Computed tomography, abdomen. axial view. 768x768 px
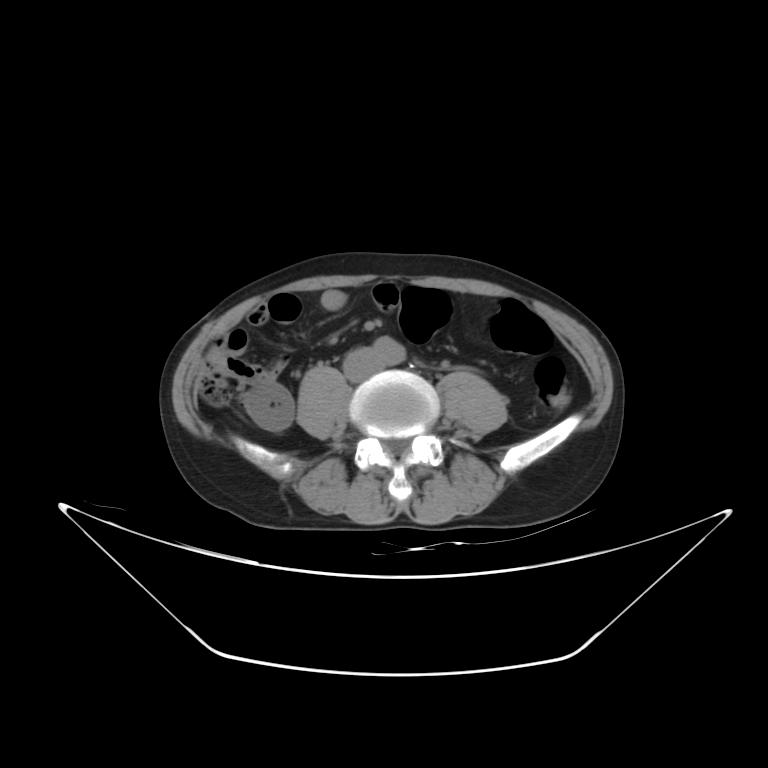

Coordinates as <box>x1,y1,x2,y2</box> in pixels. Labeled organs on this slice: inferior vena cava at <box>344,350,380,380</box>.